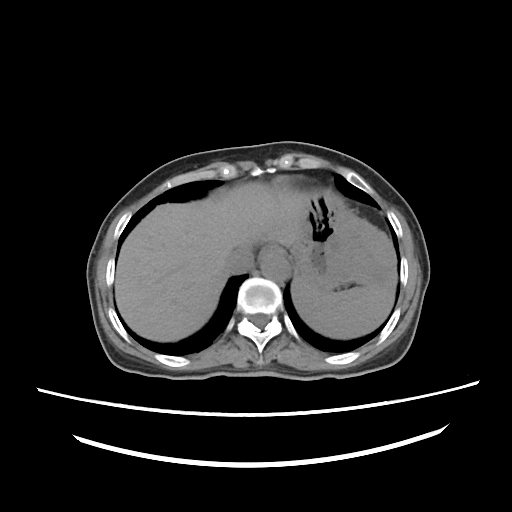 CT, abdomen/pelvis. axial plane, index 75. soft-tissue window (W 400 / L 40)
<organs><organ name="spleen" x1="292" y1="272" x2="395" y2="338"/><organ name="esophagus" x1="258" y1="245" x2="283" y2="260"/><organ name="liver" x1="115" y1="182" x2="303" y2="341"/><organ name="stomach" x1="290" y1="189" x2="395" y2="290"/><organ name="aorta" x1="260" y1="253" x2="289" y2="281"/><organ name="inferior vena cava" x1="224" y1="250" x2="254" y2="274"/></organs>